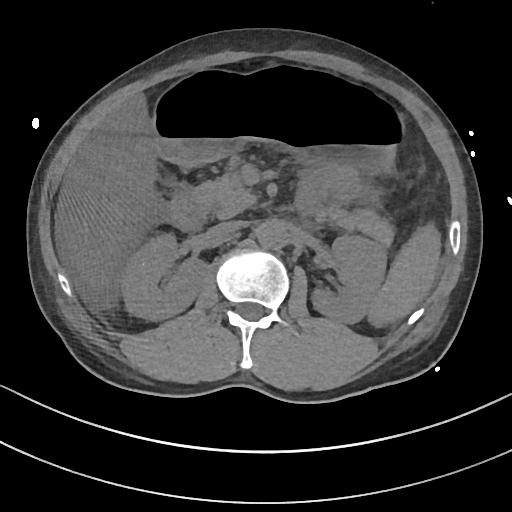

Abdominal CT. Axial slice 162/252. soft-tissue window (W 400 / L 40). 512x512 px. acquired on SOMATOM Force
Organ boxes in pixel coordinates; each row gives the top-left (x1, y1) and bottom-right (x2, y2) corners.
| organ | x1 | y1 | x2 | y2 |
|---|---|---|---|---|
| left kidney | 314 | 234 | 387 | 323 |
| right kidney | 119 | 234 | 203 | 319 |
| aorta | 256 | 219 | 286 | 248 |
| inferior vena cava | 208 | 220 | 244 | 236 |
| spleen | 369 | 226 | 440 | 325 |
| liver | 58 | 95 | 157 | 281 |
| duodenum | 166 | 190 | 207 | 230 |
| stomach | 151 | 66 | 402 | 168 |
| pancreas | 192 | 173 | 394 | 246 |